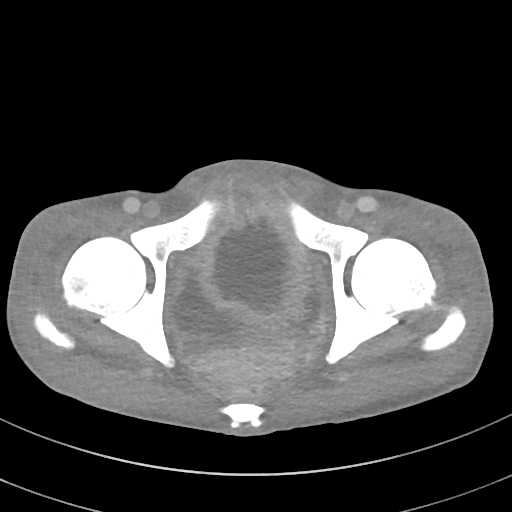

CT abdomen · axial plane, index 13 · SOMATOM Force scanner
Bounding boxes in pixels, one row per box: x1, y1 is the top-left corner and x2, y2 the bottom-right.
| organ | x1 | y1 | x2 | y2 |
|---|---|---|---|---|
| bladder | 171 | 265 | 321 | 340 |